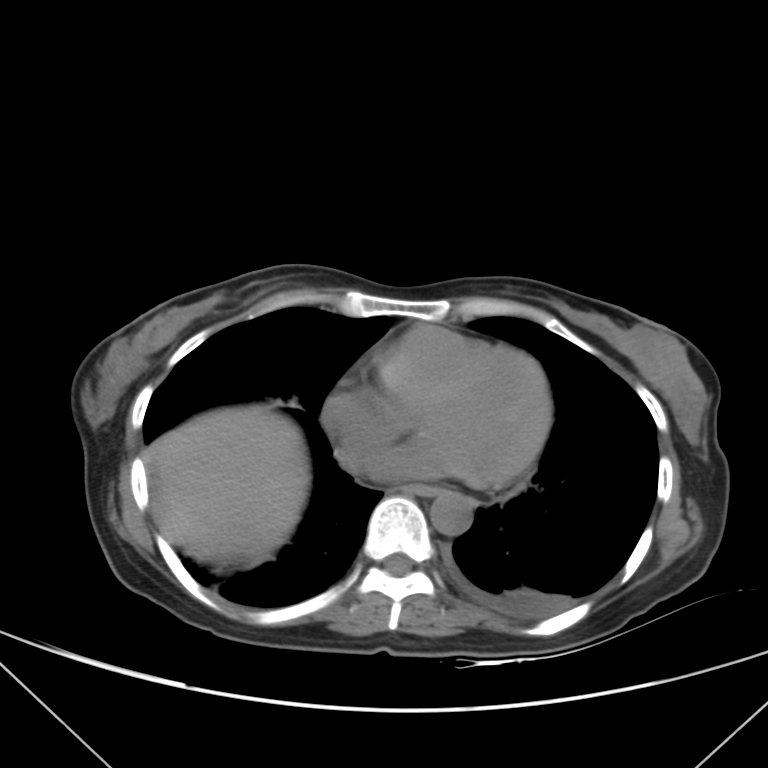

Computed tomography, abdomen — axial plane, index 88 — W/L 400/40 HU
<organs><organ name="esophagus" x1="401" y1="485" x2="441" y2="498"/><organ name="liver" x1="156" y1="404" x2="309" y2="553"/><organ name="aorta" x1="430" y1="491" x2="471" y2="535"/></organs>